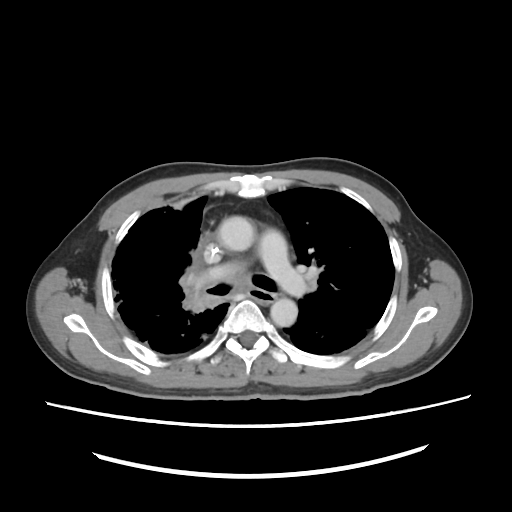
Chest-level slice from an abdominal CT that extends up into the chest. axial view. W/L 400/40 HU. 512x512 px
At this level of the chest no structure but the esophagus and the aorta has a label in this dataset, and those two are boxed only where they are labeled.
Each box given as x1,y1,x2,y2.
Organ bounding boxes:
- aorta: x1=218, y1=215, x2=255, y2=252
- aorta: x1=270, y1=299, x2=298, y2=325